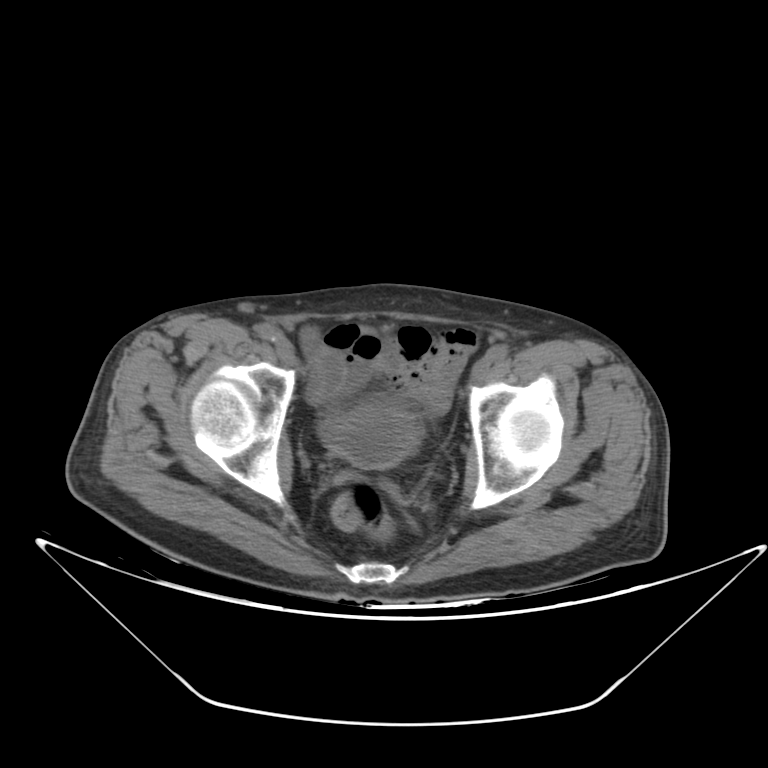
CT abdomen. Axial slice 22/90. soft-tissue window. 69-year-old male patient
<organs><organ name="bladder" x1="314" y1="398" x2="425" y2="465"/></organs>